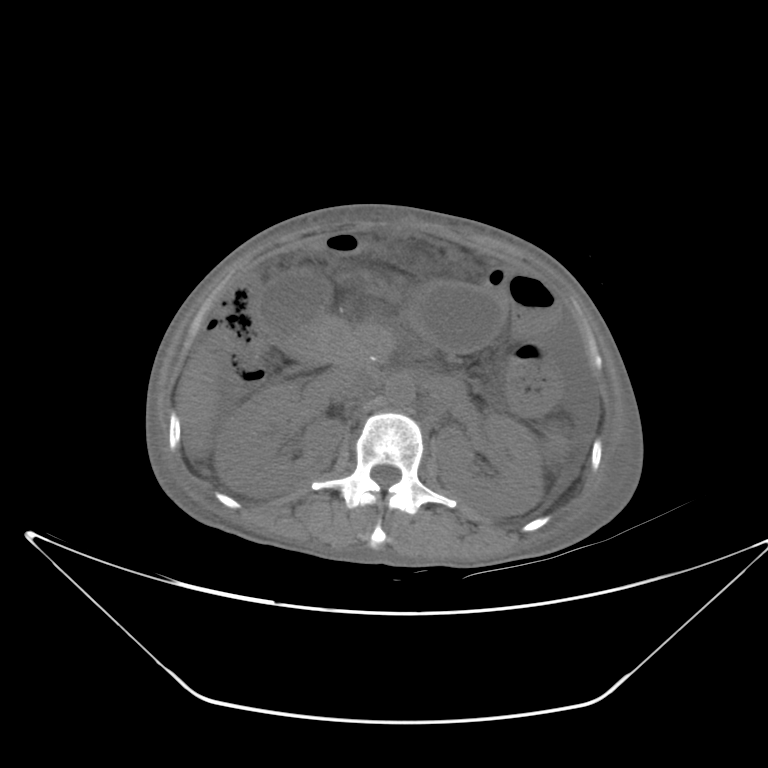

Abdominal CT — axial plane, index 67 — 768x768 px
{"organs":{"liver":[177,359,219,455],"spleen":[545,429,567,460],"aorta":[385,373,415,406],"stomach":[410,281,500,351],"right kidney":[214,382,342,496],"pancreas":[339,323,385,363],"gall bladder":[259,268,331,336],"inferior vena cava":[341,367,375,404],"left kidney":[435,412,543,517],"duodenum":[289,312,352,365]}}